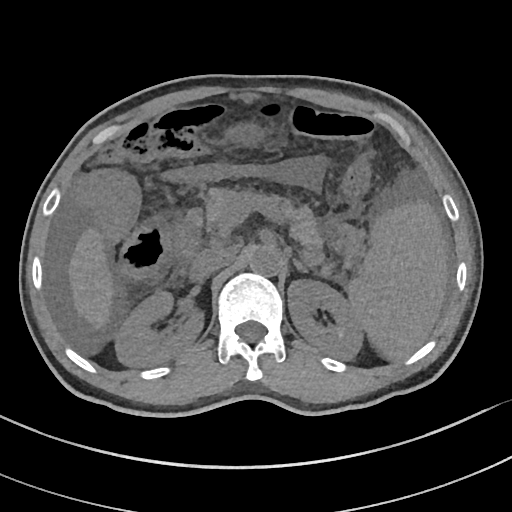
Computed tomography, abdomen. axial plane, index 143. 512x512 px
Box edges are left/top/right/bottom in pixels. Labeled organs on this slice: spleen at left=345, top=200, right=447, bottom=360, left adrenal gland at left=293, top=258, right=311, bottom=272, right kidney at left=115, top=291, right=205, bottom=366, left kidney at left=287, top=279, right=363, bottom=359, duodenum at left=172, top=209, right=205, bottom=262, pancreas at left=205, top=187, right=323, bottom=251, aorta at left=249, top=245, right=282, bottom=276, inferior vena cava at left=190, top=248, right=235, bottom=279, stomach at left=222, top=122, right=266, bottom=149, liver at left=68, top=227, right=115, bottom=329.